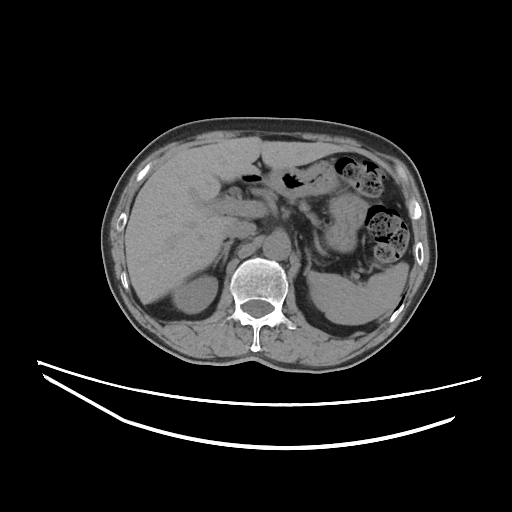
Abdominal CT; axial view
Each box given as x1,y1,x2,y2. The annotated organs in this slice are: left adrenal gland at x1=304, y1=249, x2=311, y2=274, left kidney at x1=311, y1=294, x2=314, y2=302, right adrenal gland at x1=213, y1=239, x2=233, y2=267, pancreas at x1=291, y1=199, x2=321, y2=226, aorta at x1=263, y1=233, x2=290, y2=260, liver at x1=124, y1=137, x2=344, y2=304, spleen at x1=307, y1=262, x2=408, y2=324, inferior vena cava at x1=224, y1=220, x2=256, y2=238, stomach at x1=241, y1=160, x2=368, y2=252, right kidney at x1=172, y1=275, x2=217, y2=313.